Computed tomography, abdomen · axial view · abdomen soft-tissue window · 768x768 px · 30-year-old male patient · Brilliance16 scanner · scan has 15 labeled organs (a whole-scan count: organs this slice does not pass through have no box)
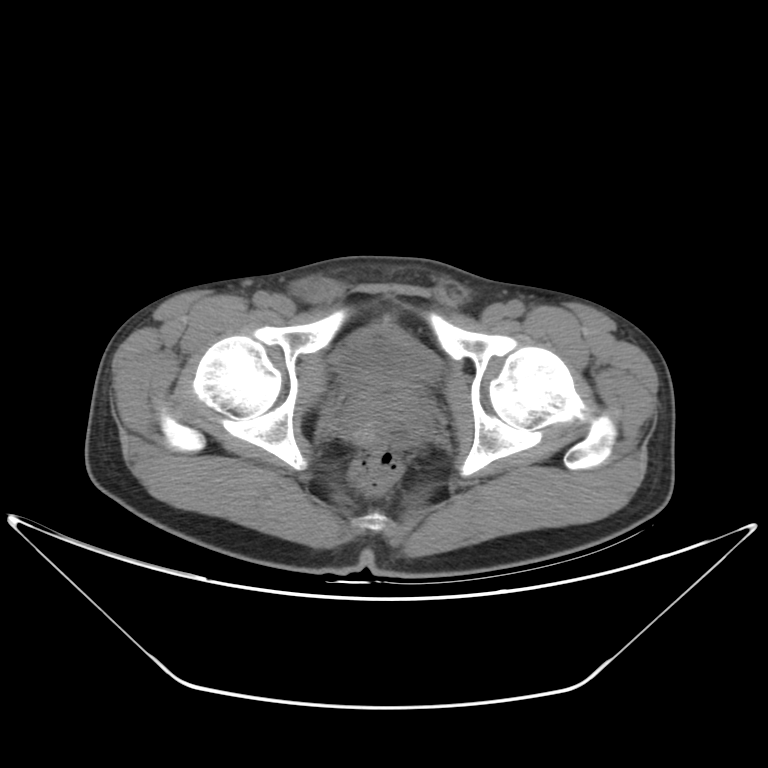

Each box given as x1,y1,x2,y2.
Organ bounding boxes:
- bladder: x1=333, y1=321, x2=439, y2=385
- prostate/uterus: x1=348, y1=385, x2=423, y2=422